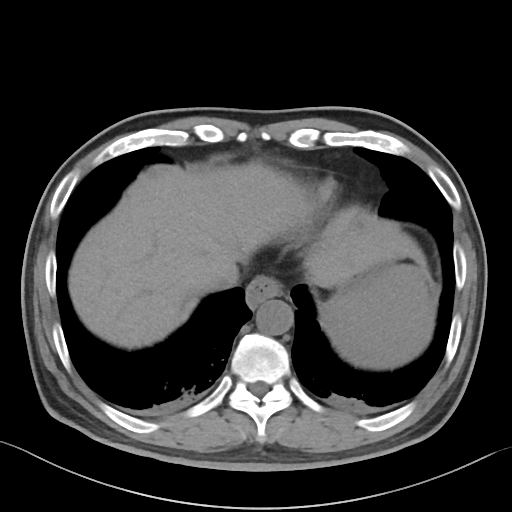

CT, abdomen/pelvis; axial view; 15 organs annotated in this scan (counted over the whole 3D scan, not this slice; an organ is boxed only where this slice passes through it)
Boxes: x1:y1:x2:y2 in pixels. Labeled organs on this slice: spleen at 321:263:434:368, aorta at 256:299:293:335, stomach at 336:266:388:295, liver at 68:161:433:362, inferior vena cava at 209:276:237:290, esophagus at 246:276:281:308.